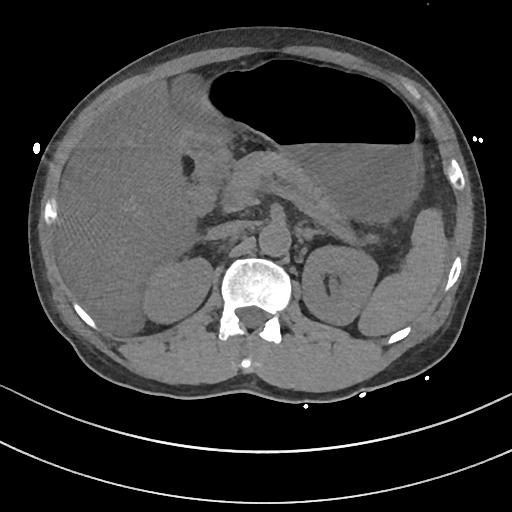 CT, abdomen/pelvis · Axial slice 171/252 · soft-tissue window (W 400 / L 40)
Box edges are left/top/right/bottom in pixels. 11 labeled organs on this slice — spleen at left=358, top=208, right=447, bottom=336; right kidney at left=142, top=257, right=212, bottom=323; left kidney at left=302, top=246, right=377, bottom=325; gall bladder at left=170, top=76, right=216, bottom=132; liver at left=57, top=80, right=197, bottom=331; stomach at left=175, top=65, right=422, bottom=224; aorta at left=259, top=222, right=291, bottom=256; inferior vena cava at left=207, top=220, right=247, bottom=239; pancreas at left=222, top=151, right=346, bottom=226; left adrenal gland at left=300, top=227, right=325, bottom=239; duodenum at left=183, top=158, right=233, bottom=217.